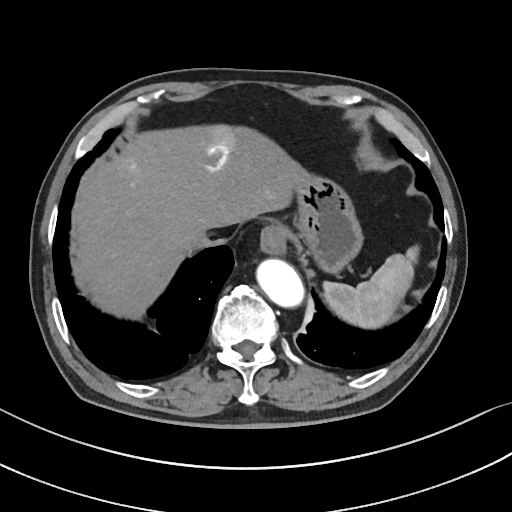
Computed tomography, abdomen; Axial slice 192/306; 15 organs annotated in this scan (counted over the whole 3D scan, not this slice; an organ is boxed only where this slice passes through it)
Coordinates as <box>x1,y1,x2,y2</box> in pixels.
liver: <box>72,124,303,319</box>
stomach: <box>276,170,363,273</box>
inferior vena cava: <box>187,231,213,249</box>
spleen: <box>323,245,419,328</box>
esophagus: <box>260,225,285,254</box>
aorta: <box>256,259,303,306</box>